Computed tomography, abdomen — axial view — abdomen soft-tissue window
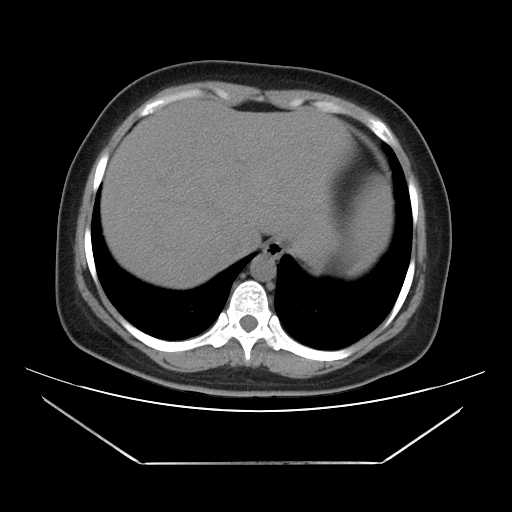

{"organs":{"stomach":[313,256,328,272],"esophagus":[263,240,282,258],"inferior vena cava":[227,231,260,257],"aorta":[250,254,275,281],"spleen":[346,238,388,277],"liver":[100,100,392,289]}}